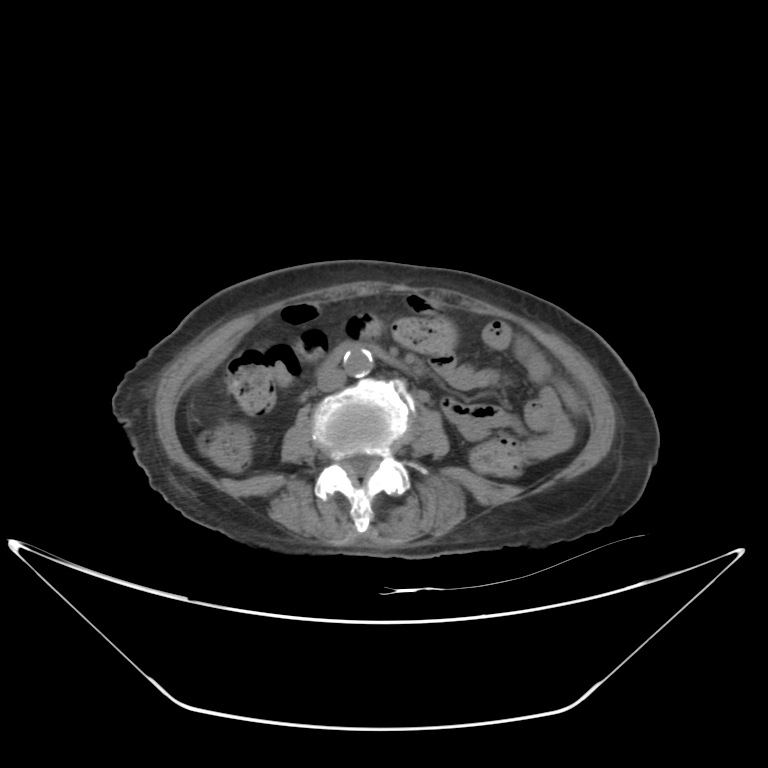
CT, abdomen/pelvis — Axial slice 44/79 — soft-tissue window — female patient aged 90 or older — scan has 15 labeled organs (counted over the whole 3D scan, not this slice; an organ is boxed only where this slice passes through it)
{"organs":{"aorta":[343,351,372,376],"inferior vena cava":[316,363,346,391],"duodenum":[329,342,394,362]}}